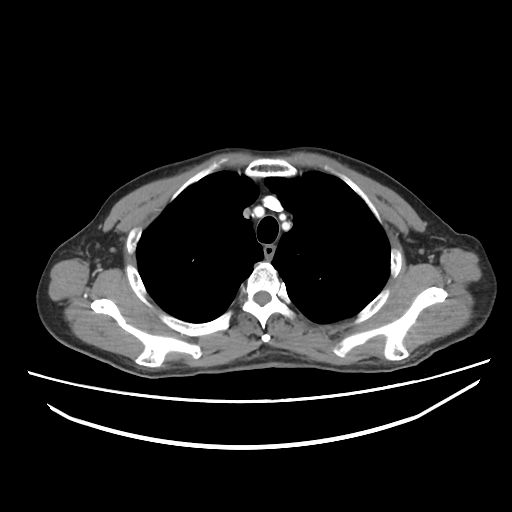
Abdominal CT reaching into the chest; this slice is in the chest · axial view
At this level of the chest no structure but the esophagus and the aorta has a label in this dataset, and those two are boxed only where they are labeled.
Boxes: x1 y1 x2 y2 (pixel coords, space-separated).
Organ bounding boxes:
- esophagus: 264 245 274 257